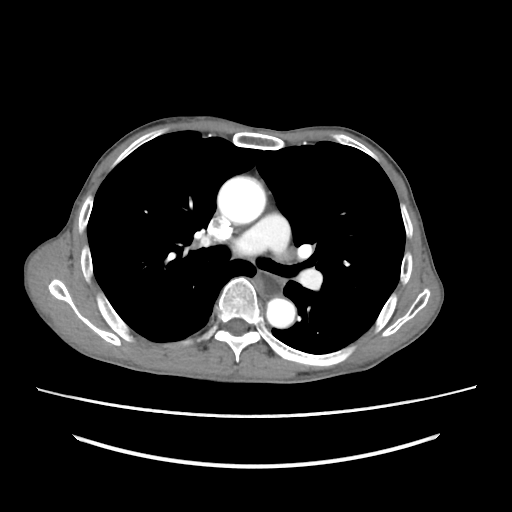 Chest-level CT slice, above the liver and spleen. axial view. W/L 400/40 HU. 62-year-old male patient
At this level of the chest this dataset labels only the esophagus and the aorta, and each is boxed only where it is labeled; the heart and lungs are never labeled.
Boxes are (x1, y1, x2, y2) in pixels.
Organ bounding boxes:
- esophagus: (259, 273, 283, 296)
- aorta: (217, 176, 265, 224)
- aorta: (266, 297, 295, 328)